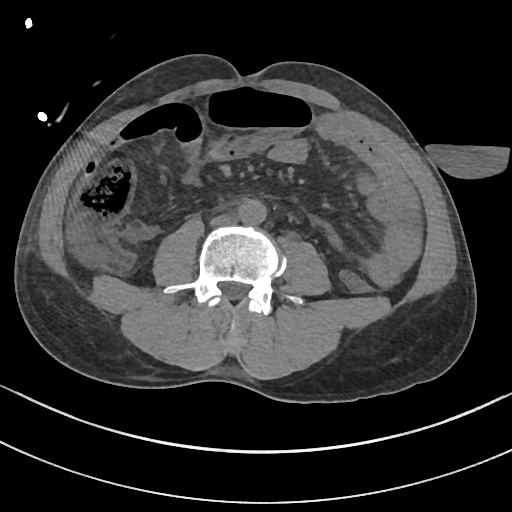 Computed tomography, abdomen · axial view
Boxes: x1 y1 x2 y2 (pixel coords, space-separated). Labeled organs on this slice: aorta at 238 199 266 224, inferior vena cava at 210 214 236 226.